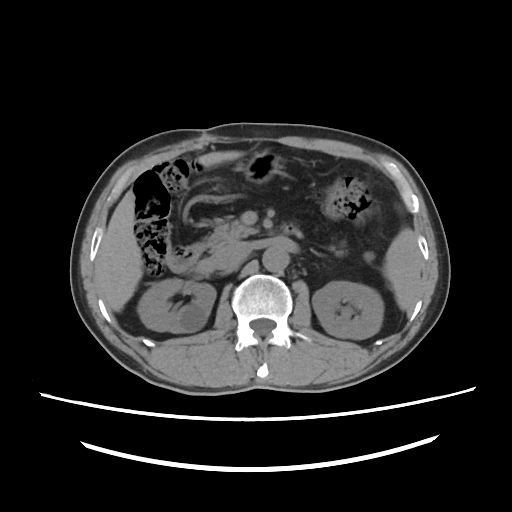
Abdominal CT — axial view — soft-tissue window — 55-year-old male patient
{"organs":{"liver":[95,151,240,310],"pancreas":[204,219,254,250],"spleen":[383,229,421,310],"aorta":[262,246,288,272],"left kidney":[310,280,382,338],"left adrenal gland":[310,248,321,256],"duodenum":[163,244,201,273],"inferior vena cava":[211,242,250,270],"right kidney":[136,280,216,333],"stomach":[239,150,277,177]}}